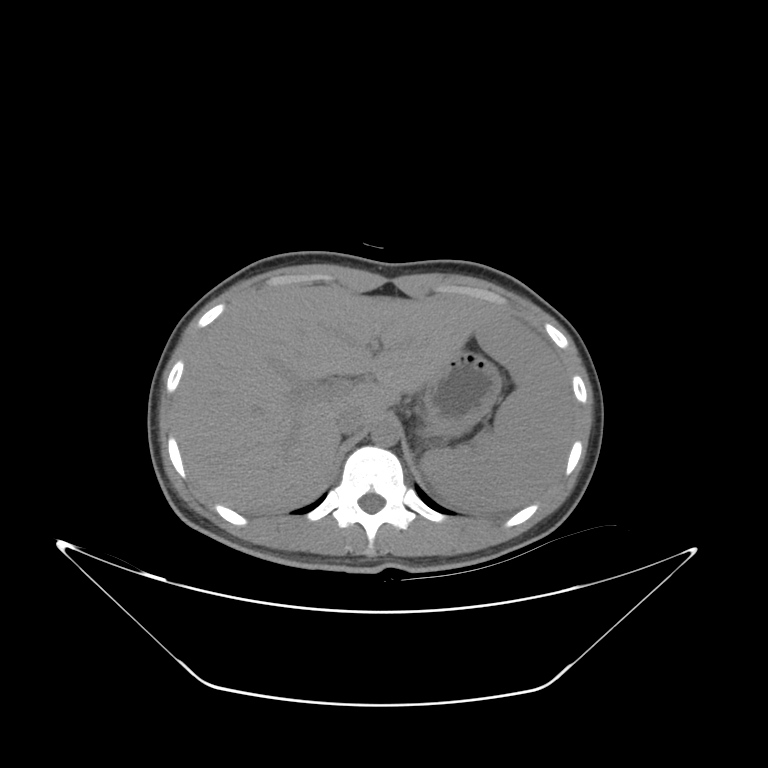 Computed tomography, abdomen; axial plane, index 81; W/L 400/40 HU; 768x768 px
{"organs":{"spleen":[420,315,573,506],"liver":[174,285,502,517],"stomach":[425,355,498,433],"aorta":[370,417,400,447],"inferior vena cava":[339,408,367,434]}}